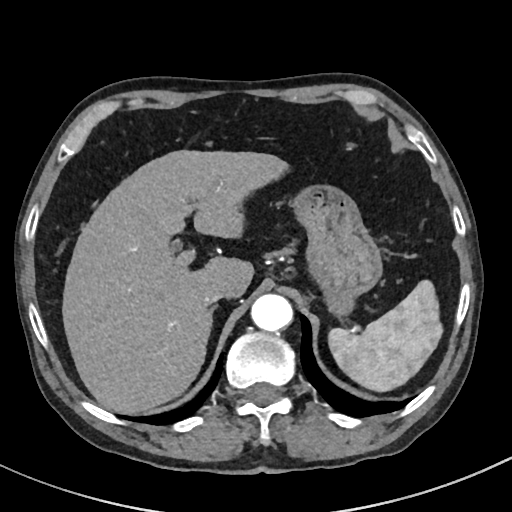 CT abdomen; axial plane, index 183; 512x512 px
{"organs":{"stomach":[294,186,383,316],"spleen":[329,280,440,390],"liver":[62,149,287,413],"aorta":[250,294,292,331],"inferior vena cava":[201,285,230,307],"right adrenal gland":[206,305,217,342]}}